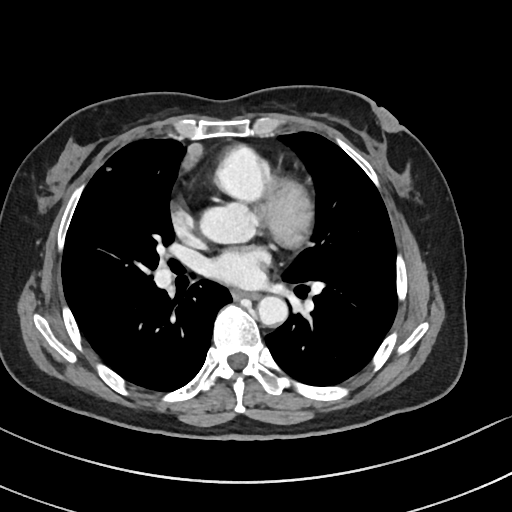 CT of the abdomen reaching into the lower chest, slice just above the liver and spleen. axial view. soft-tissue window (W 400 / L 40). 512x512 px
Of the structures in the chest, this dataset labels only the esophagus, the aorta and the inferior vena cava; the heart and lungs have no label.
<organs><organ name="esophagus" x1="233" y1="291" x2="258" y2="299"/><organ name="aorta" x1="258" y1="296" x2="287" y2="325"/></organs>